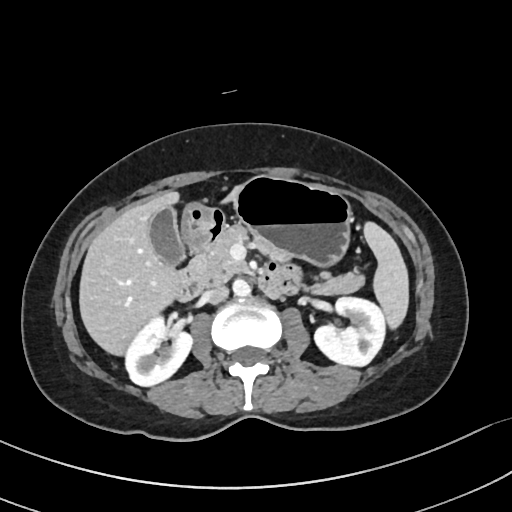 CT abdomen — axial view — soft-tissue window
Boxes: x1:y1:x2:y2 in pixels.
right kidney: 126:316:193:386
liver: 78:183:245:357
stomach: 182:175:352:268
inferior vena cava: 205:285:229:303
left kidney: 314:296:384:367
duodenum: 178:208:301:300
pancreas: 188:225:365:296
gall bladder: 147:205:184:267
aorta: 233:279:251:296
spleen: 363:220:409:330